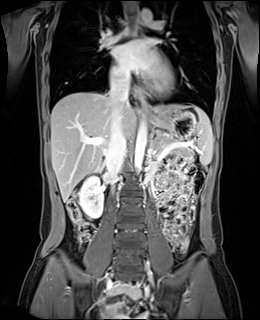
MRI, abdomen. coronal acquisition. percentile-normalized
Each box given as x1,y1,x2,y2. The annotated organs in this slice are: spleen at x1=193, y1=106, x2=213, y2=166, stomach at x1=147, y1=110, x2=196, y2=138, pancreas at x1=157, y1=141, x2=189, y2=153, left adrenal gland at x1=151, y1=141, x2=152, y2=145, esophagus at x1=139, y1=101, x2=149, y2=115, esophagus at x1=134, y1=14, x2=141, y2=35, duodenum at x1=100, y1=169, x2=105, y2=175, right kidney at x1=79, y1=176, x2=103, y2=218, inferior vena cava at x1=106, y1=76, x2=129, y2=178, aorta at x1=134, y1=120, x2=147, y2=173, aorta at x1=141, y1=8, x2=152, y2=23, liver at x1=51, y1=92, x2=193, y2=202.